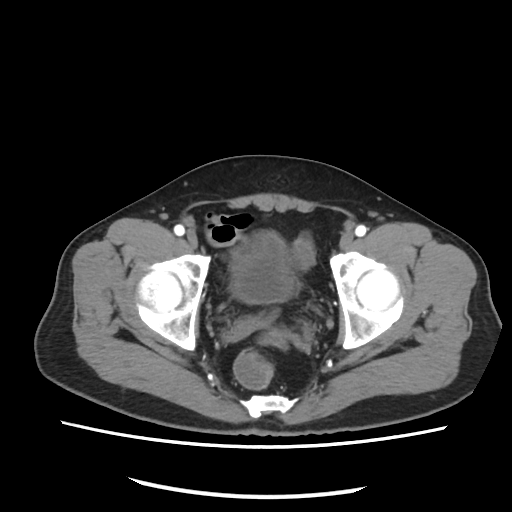 Abdominal CT. Axial slice 28/91. 512x512 px. 66-year-old male patient. 15 organs annotated in this scan (a whole-scan count: organs this slice does not pass through have no box)
Organ boxes in pixel coordinates; each row gives the top-left (x1, y1) and bottom-right (x2, y2) corners.
| organ | x1 | y1 | x2 | y2 |
|---|---|---|---|---|
| bladder | 233 | 233 | 291 | 305 |